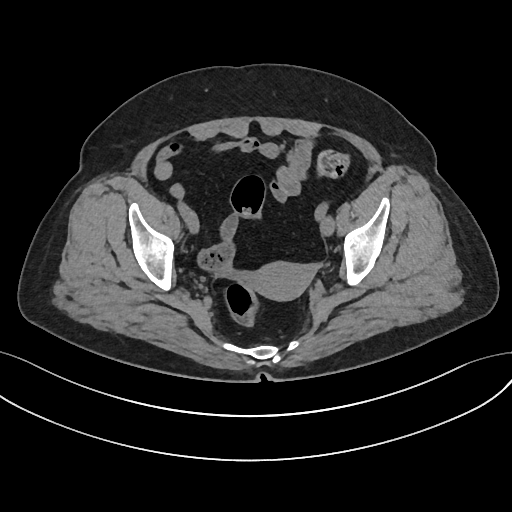 CT abdomen — axial view — W/L 400/40 HU — 512x512 px
Boxes: x1:y1:x2:y2 in pixels. Labeled organs on this slice: prostate/uterus at 250:263:311:300.